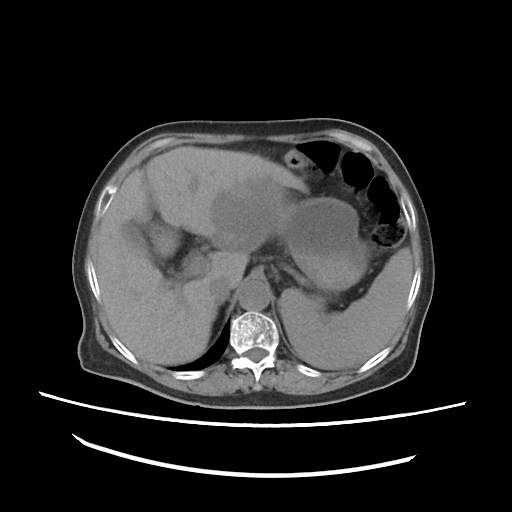 CT abdomen · axial view · abdomen soft-tissue window · 15 organs annotated in this scan (that count is for the whole scan; organs this slice misses have no box)
Coordinates as <box>x1,y1,x2,y2</box> in pixels. Labeled organs on this slice: spleen at <box>278,248,415,370</box>, gall bladder at <box>125,223,176,276</box>, liver at <box>97,146,307,364</box>, stomach at <box>283,196,364,289</box>, aorta at <box>237,279,270,312</box>, inferior vena cava at <box>210,280,229,303</box>, right adrenal gland at <box>211,304,216,319</box>.